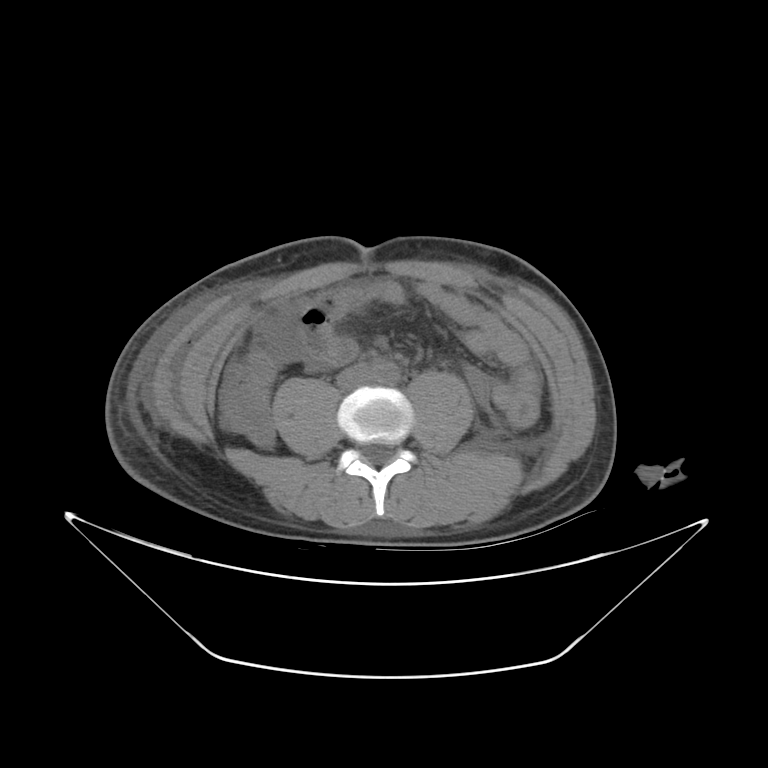
Abdominal CT · axial view · soft-tissue window · 768x768 px
Boxes: x1 y1 x2 y2 (pixel coords, space-separated). Labeled organs on this slice: aorta at 373 361 399 384, inferior vena cava at 336 364 373 390.